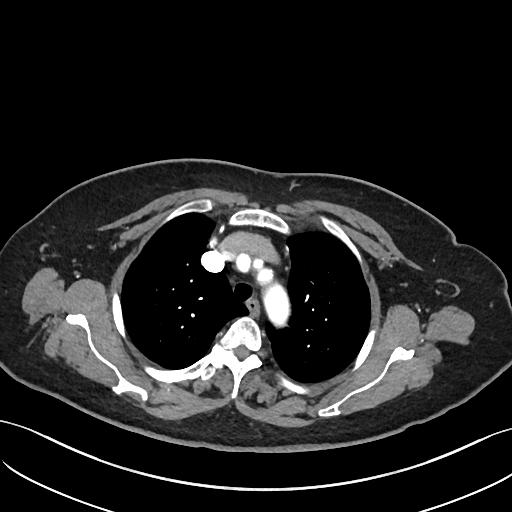

CT of the abdomen extending into the chest, slice through the chest; axial view; 512x512 px; 15 organs annotated in this scan (a whole-scan count: organs this slice does not pass through have no box)
On a slice this high in the chest, this dataset labels only the esophagus and the aorta, and each is boxed only where it is labeled; the heart, lungs and other chest structures are not labeled.
One row per box, in pixels: columns x1 and y1 give the top-left corner, x2 and y2 the bottom-right.
| organ | x1 | y1 | x2 | y2 |
|---|---|---|---|---|
| esophagus | 247 | 299 | 259 | 313 |
| aorta | 263 | 284 | 289 | 325 |